CT, abdomen/pelvis — Axial slice 72/80 — 512x512 px — acquired on Aquilion ONE
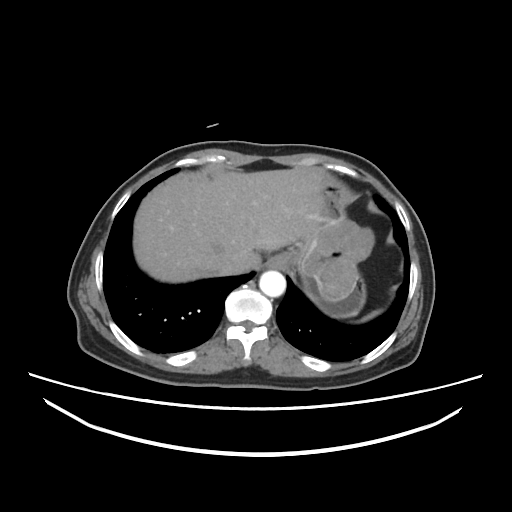
<organs><organ name="inferior vena cava" x1="215" y1="255" x2="242" y2="275"/><organ name="aorta" x1="258" y1="271" x2="285" y2="296"/><organ name="esophagus" x1="265" y1="255" x2="287" y2="269"/><organ name="liver" x1="134" y1="166" x2="329" y2="282"/><organ name="stomach" x1="281" y1="178" x2="372" y2="318"/><organ name="spleen" x1="358" y1="310" x2="381" y2="321"/></organs>